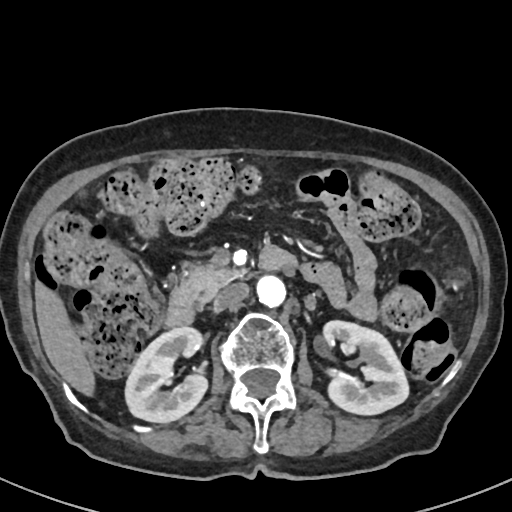 CT, abdomen/pelvis. Axial slice 134/279. soft-tissue window. SOMATOM Force scanner
{"organs":{"left kidney":[323,320,408,414],"aorta":[256,275,285,307],"inferior vena cava":[214,282,249,309],"duodenum":[165,247,296,327],"liver":[35,285,94,395],"pancreas":[171,264,242,303],"right kidney":[125,327,207,422]}}